CT abdomen. axial view. 50-year-old male patient. scan has 15 labeled organs (a whole-scan count: organs this slice does not pass through have no box)
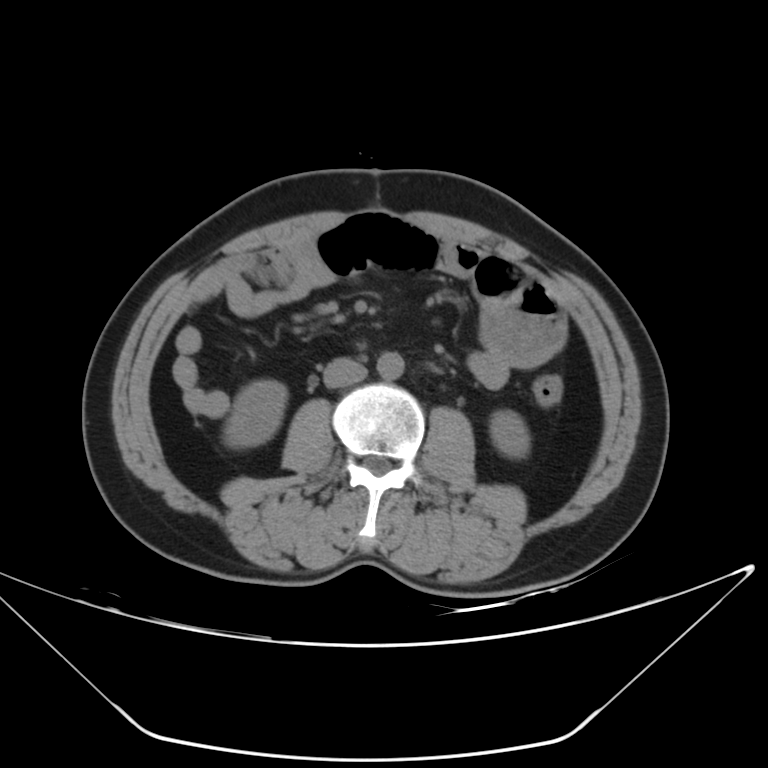 Boxes are (x1, y1, x2, y2) in pixels.
Organ bounding boxes:
- right kidney: (224, 380, 287, 448)
- left kidney: (490, 410, 529, 457)
- aorta: (377, 352, 404, 379)
- inferior vena cava: (323, 357, 366, 387)